MRI, abdomen; coronal view
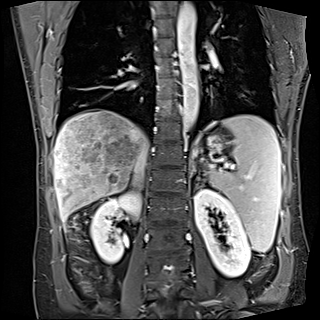 {"organs":{"spleen":[208,114,281,252],"right kidney":[90,192,141,263],"left kidney":[194,188,250,277],"liver":[53,109,148,221],"stomach":[208,135,223,151],"aorta":[177,1,198,129],"inferior vena cava":[133,157,146,183],"right adrenal gland":[132,183,139,184],"left adrenal gland":[195,177,202,189]}}